Abdominal CT; axial view; W/L 400/40 HU; 512x512 px
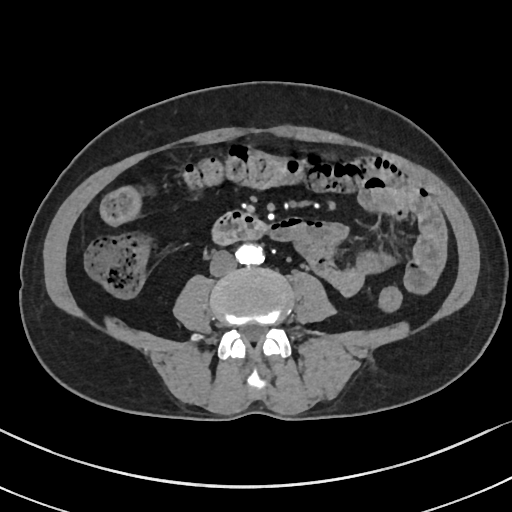 Boxes: x1:y1:x2:y2 in pixels.
Organ bounding boxes:
- aorta: 236:244:264:264
- inferior vena cava: 210:250:236:276
- duodenum: 212:210:266:245